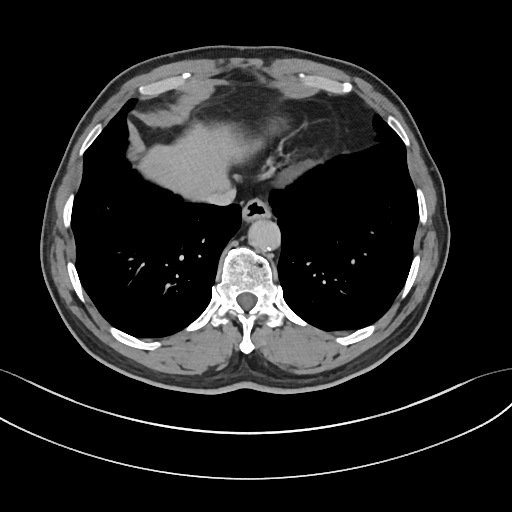
Computed tomography, abdomen · axial view · W/L 400/40 HU · 512x512 px
Coordinates as <box>x1,y1,x2,y2</box> in pixels.
esophagus: <box>242,198,270,221</box>
liver: <box>139,123,253,199</box>
aorta: <box>248,219,280,251</box>
inferior vena cava: <box>199,186,235,205</box>